CT, abdomen/pelvis · axial plane, index 99 · 512x512 px · scan has 15 labeled organs (a whole-scan count: organs this slice does not pass through have no box)
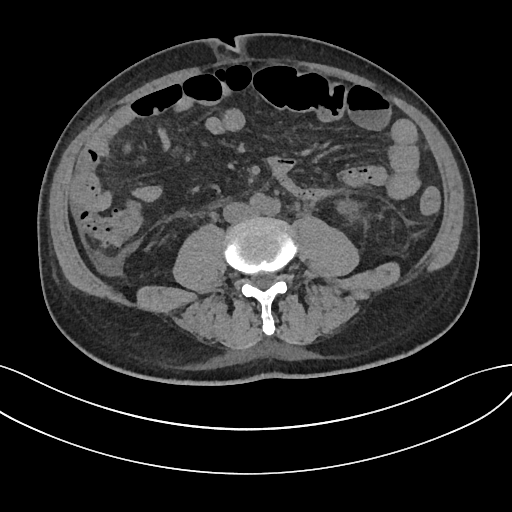

Bounding boxes in pixels, one row per box: x1, y1 is the top-left corner and x2, y2 the bottom-right.
| organ | x1 | y1 | x2 | y2 |
|---|---|---|---|---|
| left kidney | 338 | 201 | 359 | 216 |
| inferior vena cava | 223 | 202 | 253 | 222 |